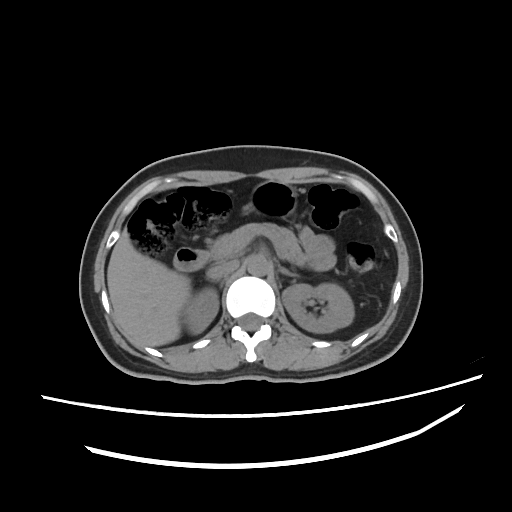 CT, abdomen/pelvis. axial view. W/L 400/40 HU. acquired on Aquilion ONE
{"organs":{"right kidney":[184,290,219,333],"aorta":[249,254,270,275],"left adrenal gland":[280,267,294,276],"left kidney":[282,282,353,333],"stomach":[243,182,296,216],"pancreas":[210,222,307,265],"inferior vena cava":[207,261,236,279],"liver":[107,230,190,346],"duodenum":[173,248,211,272]}}